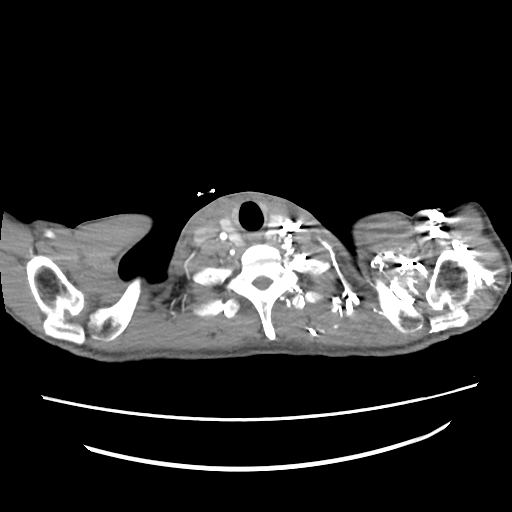 Chest-level slice from an abdominal CT that extends up into the chest — axial view — W/L 400/40 HU — 50-year-old male patient
At this level of the chest no structure but the esophagus and the aorta has a label in this dataset, and those two are boxed only where they are labeled.
One row per box, in pixels: columns x1 and y1 give the top-left corner, x2 and y2 the bottom-right.
| organ | x1 | y1 | x2 | y2 |
|---|---|---|---|---|
| esophagus | 244 | 234 | 261 | 244 |